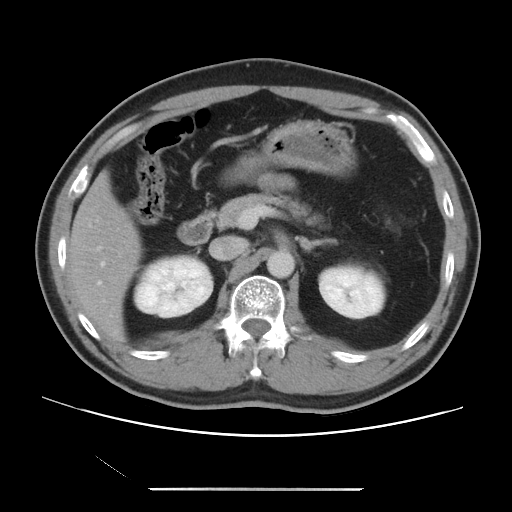 CT abdomen; Axial slice 72/131; soft-tissue window; 512x512 px
Boxes: x1 y1 x2 y2 (pixel coords, space-separated). 9 labeled organs on this slice — stomach at 226 120 355 180; left adrenal gland at 299 237 338 250; inferior vena cava at 209 236 248 260; right kidney at 133 255 213 317; pancreas at 217 193 319 228; liver at 68 169 141 342; aorta at 267 249 294 278; duodenum at 177 213 212 244; left kidney at 319 265 385 318.